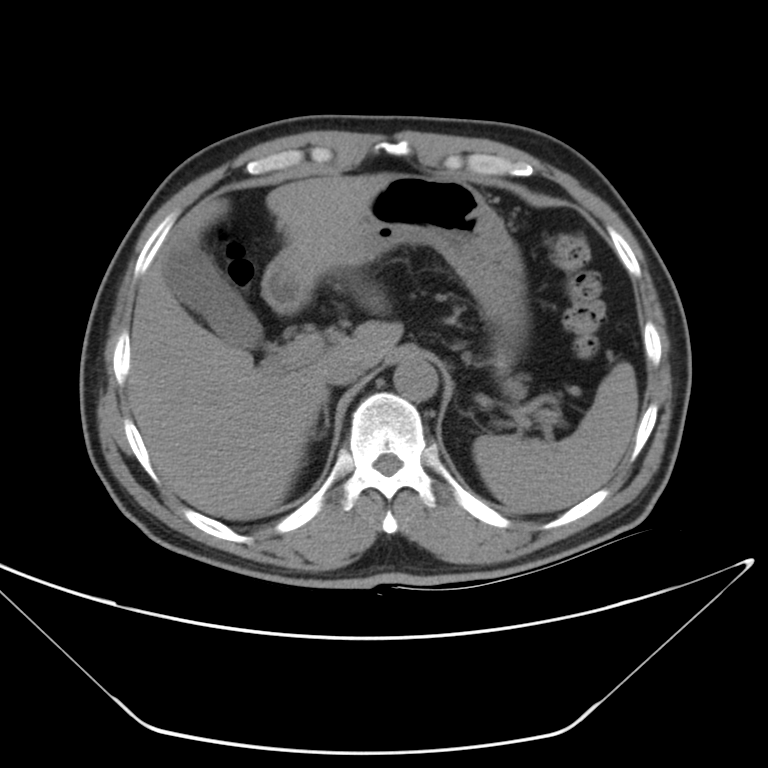

Abdominal CT — axial view — W/L 400/40 HU — 768x768 px — 45-year-old male patient
Box edges are left/top/right/bottom in pixels.
Organ bounding boxes:
- spleen: left=474, top=362, right=637, bottom=512
- gall bladder: left=164, top=243, right=260, bottom=350
- liver: left=127, top=174, right=402, bottom=520
- stomach: left=261, top=174, right=524, bottom=333
- aorta: left=392, top=354, right=436, bottom=401
- inferior vena cava: left=322, top=358, right=365, bottom=384
- right adrenal gland: left=323, top=396, right=328, bottom=435